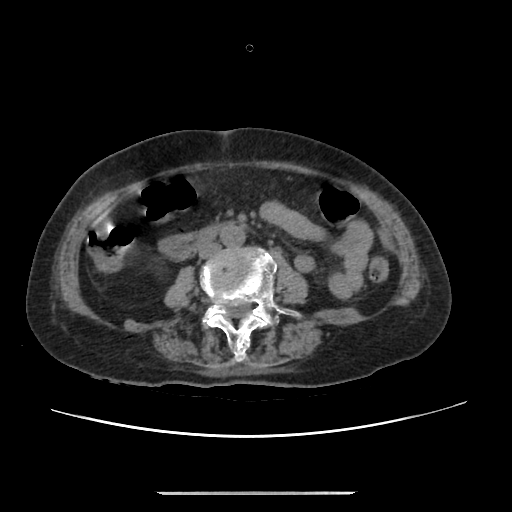

Abdominal CT — axial plane, index 182 — SOMATOM Force scanner
Organ boxes in pixel coordinates; each row gives the top-left (x1, y1) and bottom-right (x2, y2) corners.
| organ | x1 | y1 | x2 | y2 |
|---|---|---|---|---|
| aorta | 220 | 223 | 245 | 246 |
| inferior vena cava | 198 | 242 | 220 | 258 |
| duodenum | 159 | 226 | 216 | 258 |